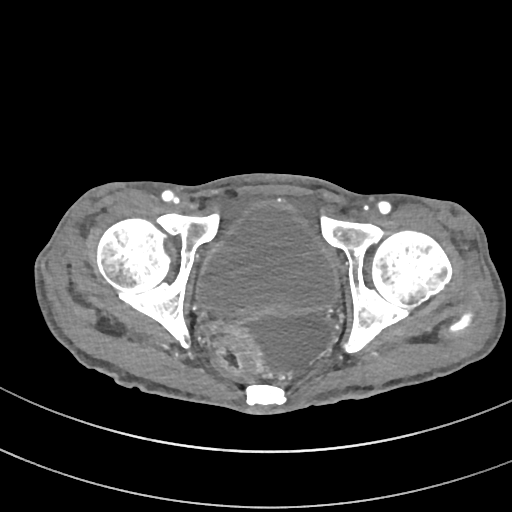

CT abdomen · axial view · abdomen soft-tissue window
Coordinates as <box>x1,y1,x2,y2</box> in pixels.
bladder: <box>198,202,337,317</box>